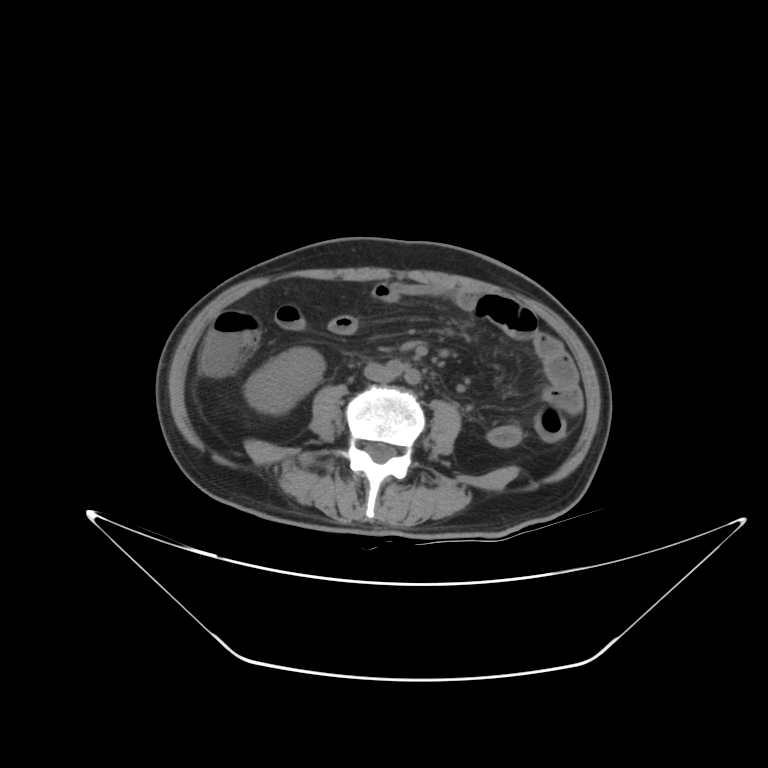
Abdominal CT; axial view; soft-tissue window (W 400 / L 40); 55-year-old male patient
Bounding boxes as [x1, y1, x2, y2] in pixel coordinates.
right kidney: [245, 348, 324, 414]
inferior vena cava: [364, 364, 392, 382]